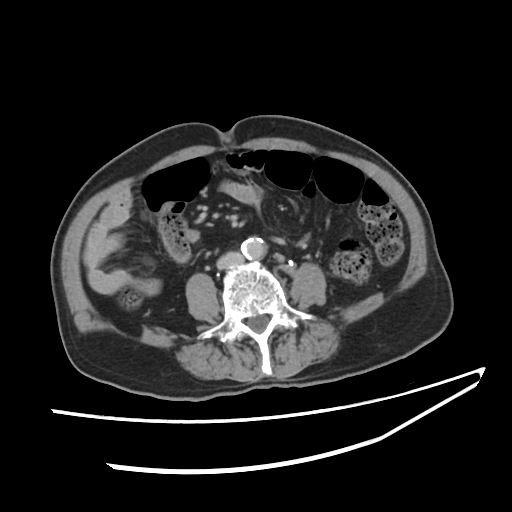 CT abdomen — axial view — soft-tissue window (W 400 / L 40) — 512x512 px — 83-year-old male patient
Boxes are (x1, y1, x2, y2) in pixels. 2 labeled organs on this slice — aorta at (241, 236, 265, 258); inferior vena cava at (218, 254, 242, 268).